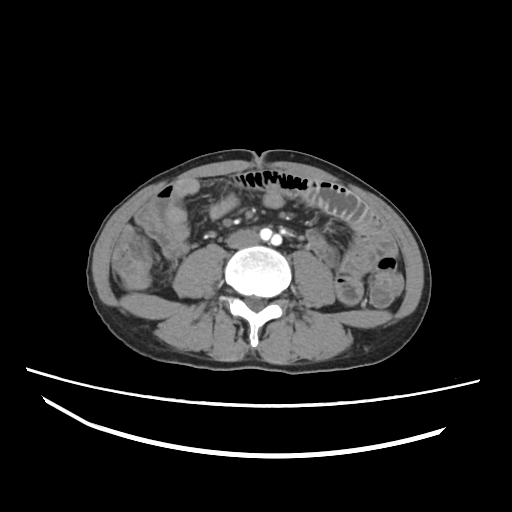
CT abdomen; axial view; 512x512 px; acquired on Aquilion ONE; scan has 15 labeled organs (counted over the whole 3D scan, not this slice; an organ is boxed only where this slice passes through it)
<organs><organ name="inferior vena cava" x1="226" y1="229" x2="258" y2="248"/><organ name="aorta" x1="273" y1="244" x2="279" y2="245"/></organs>